Abdominal CT · Axial slice 79/88 · W/L 400/40 HU · 512x512 px
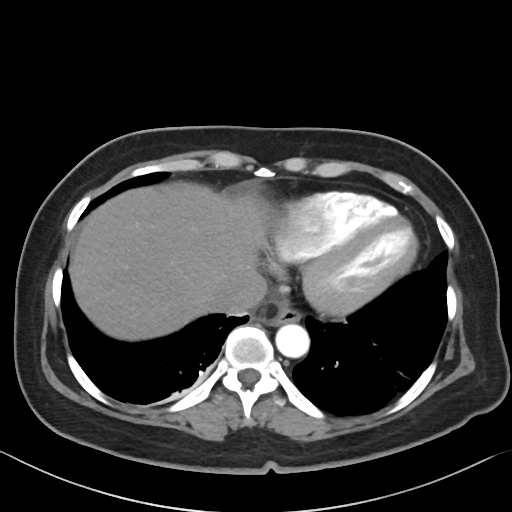 {"organs":{"esophagus":[271,307,301,324],"liver":[69,182,270,340],"aorta":[276,324,309,357],"inferior vena cava":[216,274,267,313]}}